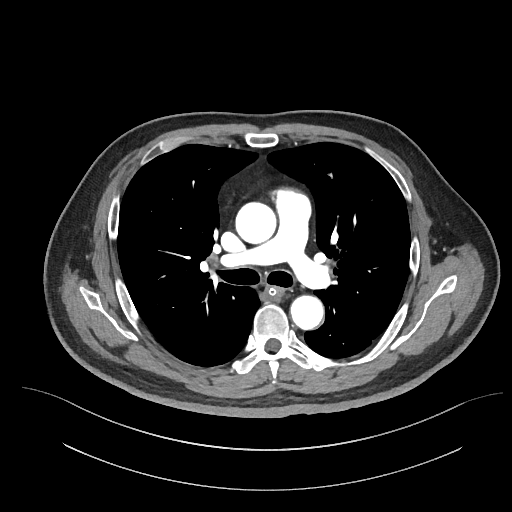

CT of the abdomen extending into the chest, slice through the chest. axial view
On a slice this high in the chest, this dataset labels only the esophagus and the aorta, and each is boxed only where it is labeled; the heart, lungs and other chest structures are not labeled.
<organs><organ name="aorta" x1="235" y1="202" x2="276" y2="244"/><organ name="aorta" x1="290" y1="294" x2="324" y2="329"/><organ name="esophagus" x1="266" y1="287" x2="284" y2="297"/></organs>